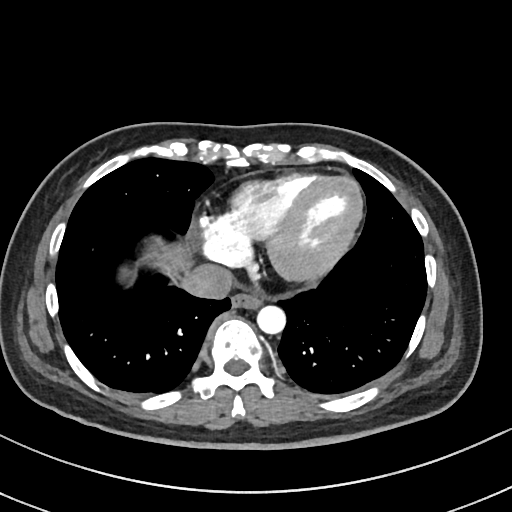

CT abdomen — Axial slice 190/191 — abdomen soft-tissue window — SOMATOM Force scanner
<organs><organ name="esophagus" x1="231" y1="292" x2="263" y2="309"/><organ name="liver" x1="156" y1="244" x2="186" y2="271"/><organ name="aorta" x1="257" y1="305" x2="285" y2="334"/><organ name="inferior vena cava" x1="181" y1="264" x2="234" y2="298"/></organs>